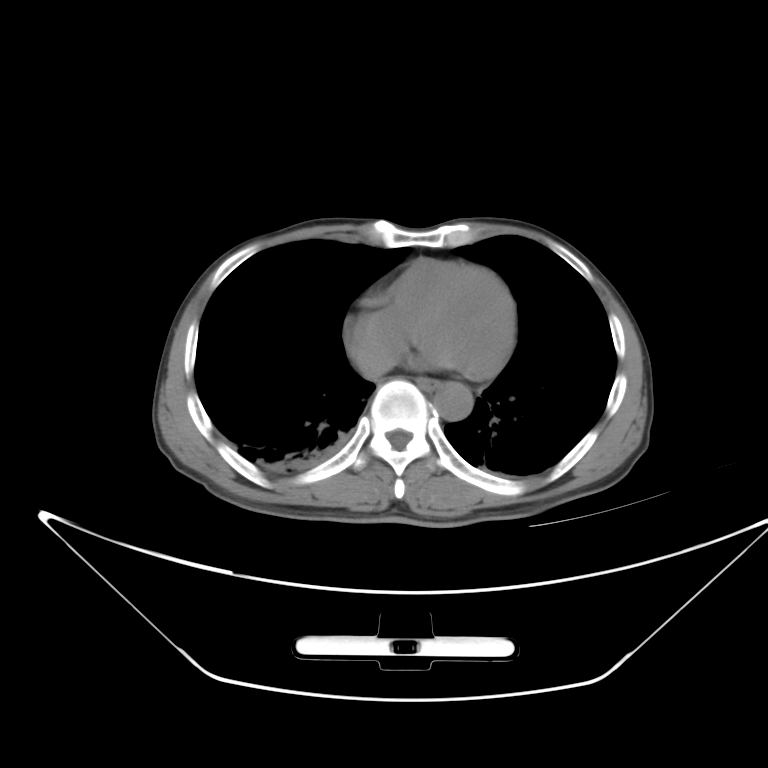

Abdominal CT; this slice is in the lower chest, just above the liver — Axial slice 88/96
The heart and lungs are never labeled in this dataset, so they have no box on this slice.
One row per box, in pixels: columns x1 and y1 give the top-left corner, x2 and y2 the bottom-right.
| organ | x1 | y1 | x2 | y2 |
|---|---|---|---|---|
| esophagus | 417 | 379 | 439 | 390 |
| aorta | 431 | 382 | 470 | 419 |